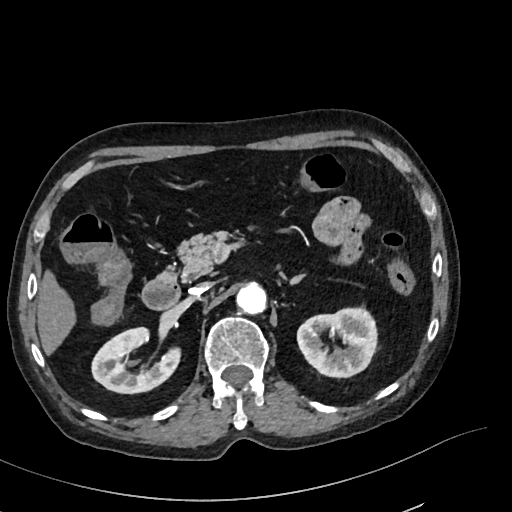
CT, abdomen/pelvis; Axial slice 163/235; soft-tissue window (W 400 / L 40)
<organs><organ name="right kidney" x1="92" y1="326" x2="180" y2="393"/><organ name="left kidney" x1="297" y1="309" x2="376" y2="377"/><organ name="liver" x1="37" y1="272" x2="75" y2="355"/><organ name="aorta" x1="236" y1="285" x2="266" y2="314"/><organ name="inferior vena cava" x1="189" y1="282" x2="212" y2="294"/><organ name="pancreas" x1="179" y1="230" x2="232" y2="279"/><organ name="left adrenal gland" x1="287" y1="274" x2="304" y2="285"/><organ name="duodenum" x1="141" y1="272" x2="180" y2="308"/></organs>